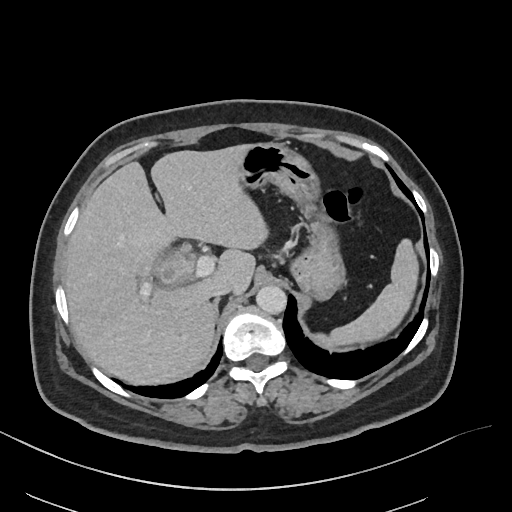 Computed tomography, abdomen. axial view. W/L 400/40 HU. SOMATOM Force scanner
<organs><organ name="spleen" x1="316" y1="241" x2="417" y2="344"/><organ name="gall bladder" x1="159" y1="259" x2="182" y2="283"/><organ name="liver" x1="64" y1="144" x2="268" y2="383"/><organ name="stomach" x1="241" y1="143" x2="346" y2="298"/><organ name="aorta" x1="256" y1="286" x2="286" y2="314"/><organ name="inferior vena cava" x1="211" y1="282" x2="231" y2="298"/><organ name="right adrenal gland" x1="215" y1="299" x2="219" y2="313"/></organs>